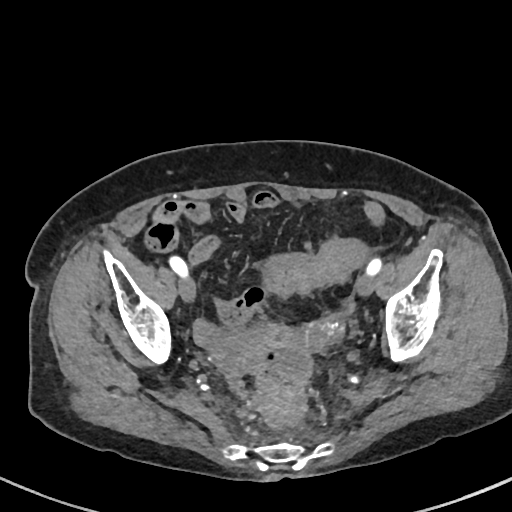 Abdominal CT; axial view; 512x512 px; SOMATOM Force scanner
Bounding boxes in pixels, one row per box: x1, y1 is the top-left corner and x2, y2 the bottom-right.
| organ | x1 | y1 | x2 | y2 |
|---|---|---|---|---|
| prostate/uterus | 295 | 320 | 339 | 345 |